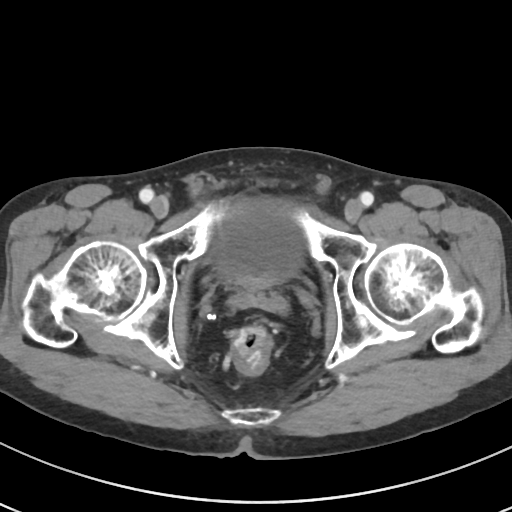

Computed tomography, abdomen; axial view; soft-tissue window (W 400 / L 40); 512x512 px; 15 organs annotated in this scan (counted over the whole 3D scan, not this slice; an organ is boxed only where this slice passes through it)
<organs><organ name="bladder" x1="211" y1="198" x2="304" y2="281"/><organ name="prostate/uterus" x1="241" y1="280" x2="266" y2="288"/></organs>